Computed tomography, abdomen. axial plane, index 218. acquired on SOMATOM Force
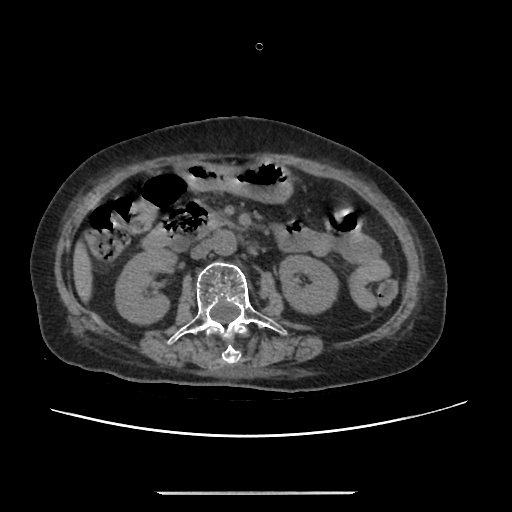
Box edges are left/top/right/bottom in pixels. 8 labeled organs on this slice — right kidney at left=115, top=248, right=176, bottom=324; pancreas at left=208, top=212, right=236, bottom=228; left kidney at left=279, top=255, right=338, bottom=313; duodenum at left=142, top=199, right=211, bottom=249; aorta at left=213, top=230, right=236, bottom=255; stomach at left=183, top=161, right=293, bottom=202; inferior vena cava at left=190, top=240, right=213, bottom=258; liver at left=73, top=242, right=92, bottom=302.